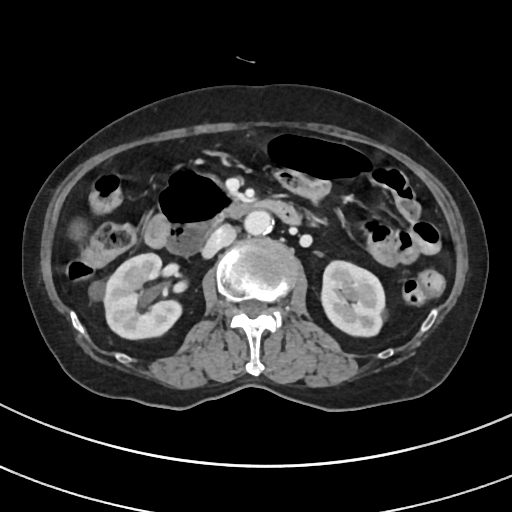

CT abdomen — axial plane, index 124 — acquired on SOMATOM Force — scan has 15 labeled organs (that count is for the whole scan; organs this slice misses have no box)
<organs><organ name="right kidney" x1="89" y1="253" x2="179" y2="339"/><organ name="left kidney" x1="322" y1="261" x2="384" y2="337"/><organ name="gall bladder" x1="73" y1="226" x2="85" y2="237"/><organ name="aorta" x1="246" y1="211" x2="274" y2="234"/><organ name="inferior vena cava" x1="203" y1="224" x2="237" y2="256"/><organ name="duodenum" x1="144" y1="170" x2="302" y2="255"/></organs>